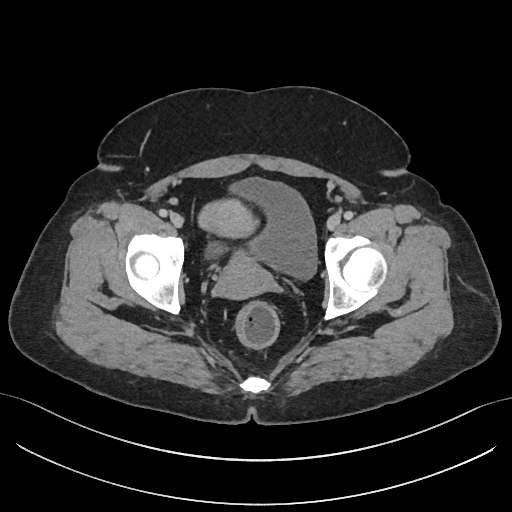
Computed tomography, abdomen · axial view · scan has 15 labeled organs (counted over the whole 3D scan, not this slice; an organ is boxed only where this slice passes through it)
Each box given as x1,y1,x2,y2. 2 labeled organs on this slice — bladder at x1=206, y1=179, x2=316, y2=279; prostate/uterus at x1=199, y1=201, x2=269, y2=298.